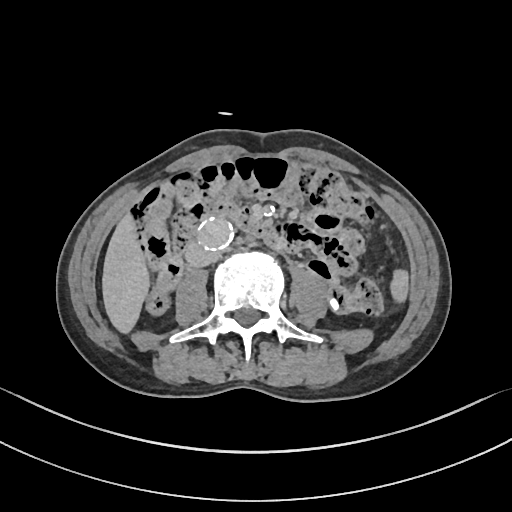
CT, abdomen/pelvis — axial plane, index 124 — abdomen soft-tissue window — 512x512 px
Boxes are (x1, y1, x2, y2) in pixels.
Organ bounding boxes:
- spleen: (389, 268, 409, 303)
- liver: (102, 213, 150, 335)
- aorta: (198, 217, 230, 249)
- inferior vena cava: (186, 245, 215, 268)
- duodenum: (204, 203, 291, 252)